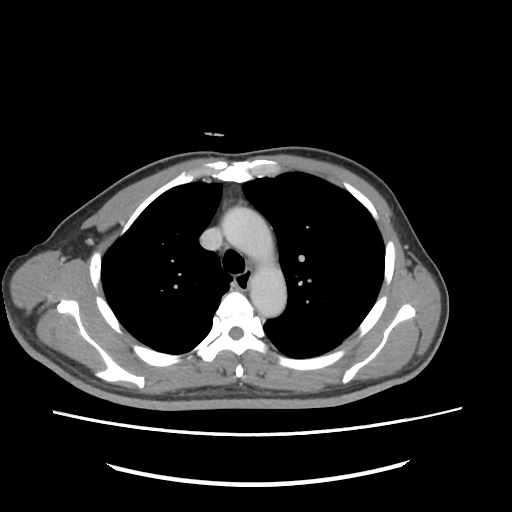

Chest-level slice from an abdominal CT that extends up into the chest. axial view. 512x512 px. 54-year-old male patient. Aquilion ONE scanner
At this level of the chest this dataset labels only the esophagus and the aorta, and each is boxed only where it is labeled; the heart and lungs are never labeled.
{"organs":{"aorta":[221,206,286,317],"esophagus":[236,269,253,290]}}